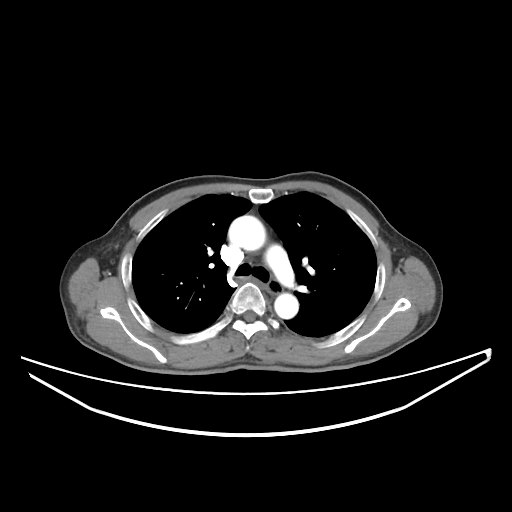 Chest-level slice from an abdominal CT that extends up into the chest. Axial slice 102/120. scan has 15 labeled organs (counted over the whole 3D scan, not this slice; an organ is boxed only where this slice passes through it)
At this level of the chest this dataset labels only the esophagus and the aorta, and each is boxed only where it is labeled; the heart and lungs are never labeled.
One row per box, in pixels: columns x1 and y1 give the top-left corner, x2 and y2 the bottom-right.
| organ | x1 | y1 | x2 | y2 |
|---|---|---|---|---|
| esophagus | 265 | 280 | 284 | 293 |
| aorta | 228 | 215 | 265 | 250 |
| aorta | 274 | 293 | 298 | 318 |